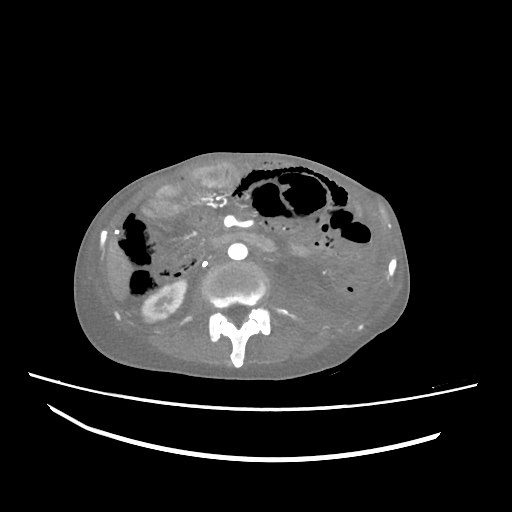

Abdominal CT · axial view · soft-tissue window (W 400 / L 40) · 47-year-old male patient · acquired on Aquilion ONE · 15 organs annotated in this scan (that count is for the whole scan; organs this slice misses have no box)
Boxes: x1:y1:x2:y2 in pixels. Labeled organs on this slice: duodenum at 211:232:274:251, inferior vena cava at 208:249:225:262, right kidney at 141:279:186:322, liver at 106:237:133:300, aorta at 228:243:247:260.